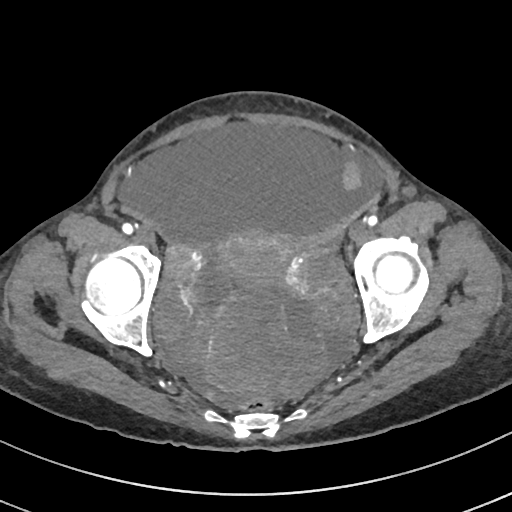 CT, abdomen/pelvis. Axial slice 37/237. 512x512 px
Boxes: x1 y1 x2 y2 (pixel coords, space-separated).
prostate/uterus: 221 229 287 288